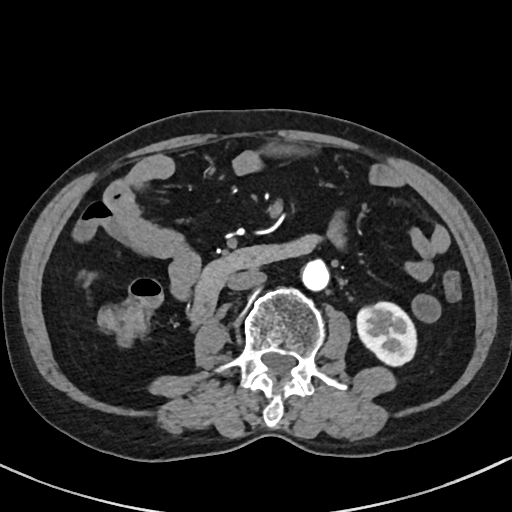

Abdominal CT · axial view · 512x512 px
Boxes: x1:y1:x2:y2 in pixels. Labeled organs on this slice: aorta at 302:258:329:289, duodenum at 192:236:321:322, left kidney at 354:302:416:366, inferior vena cava at 228:269:266:290.